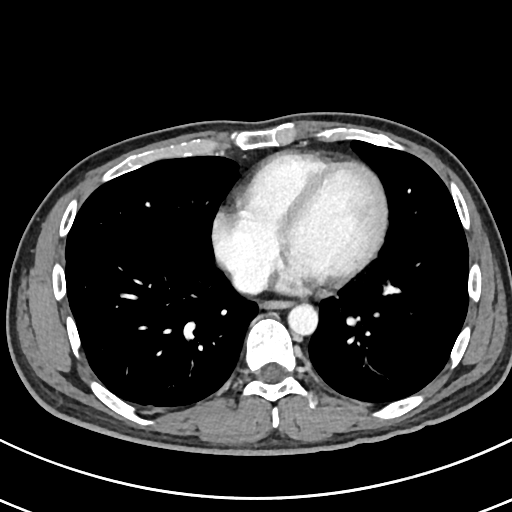 Lower-chest slice from an abdominal CT, just above the liver and spleen — axial view
The heart and lungs are never labeled in this dataset, so they have no box on this slice.
Boxes: x1 y1 x2 y2 (pixel coords, space-separated).
esophagus: 264 301 290 309
aorta: 288 305 318 335
inferior vena cava: 234 272 264 291